CT abdomen. axial view. 512x512 px. acquired on Aquilion ONE. scan has 15 labeled organs (counted over the whole 3D scan, not this slice; an organ is boxed only where this slice passes through it)
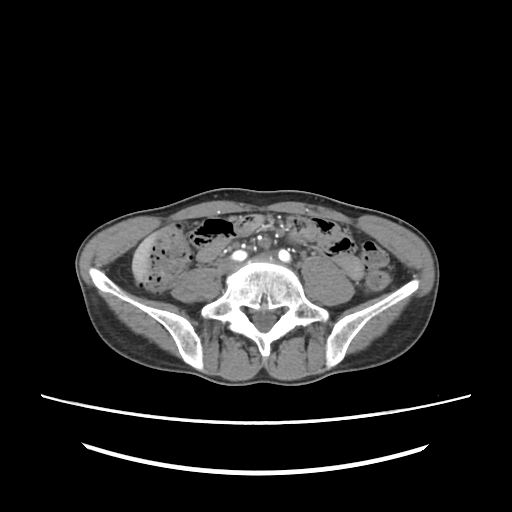
Bounding boxes as [x1, y1, x2, y2] in pixel coordinates.
Organ bounding boxes:
- liver: [132, 235, 155, 280]